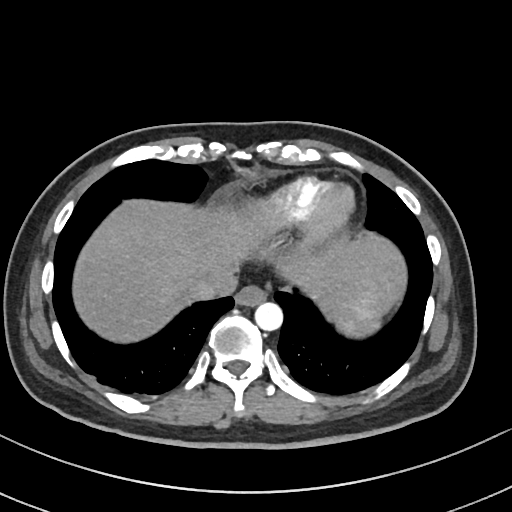 Computed tomography, abdomen · Axial slice 184/191 · soft-tissue window · 512x512 px · scan has 15 labeled organs (a whole-scan count: organs this slice does not pass through have no box)
Coordinates as <box>x1,y1,x2,y2</box> in pixels. Labeled organs on this slice: spleen at <box>333,275,392,338</box>, esophagus at <box>234,286,266,306</box>, liver at <box>75,201,405,342</box>, inferior vena cava at <box>185,268,235,299</box>, aorta at <box>255,302,283,331</box>.